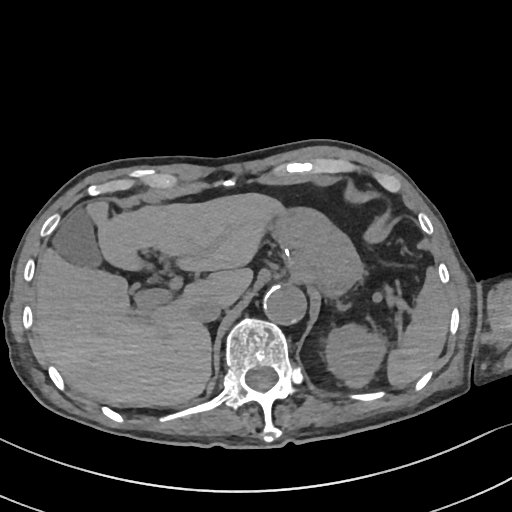
CT abdomen. axial view. abdomen soft-tissue window. 512x512 px
Boxes are (x1, y1, x2, y2) in pixels.
stomach: (270, 208, 361, 292)
inferior vena cava: (191, 296, 224, 322)
left adrenal gland: (337, 301, 348, 310)
spleen: (386, 269, 449, 387)
left kidney: (326, 324, 386, 387)
liver: (34, 193, 284, 407)
aorta: (263, 285, 306, 325)
gall bladder: (52, 208, 101, 267)